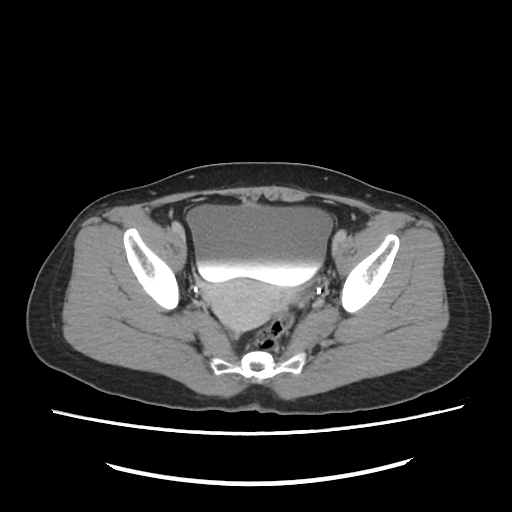
CT, abdomen/pelvis · axial view · W/L 400/40 HU · 512x512 px · 15 organs annotated in this scan (counted over the whole 3D scan, not this slice; an organ is boxed only where this slice passes through it)
Box edges are left/top/right/bottom in pixels. 2 labeled organs on this slice — bladder at left=187, top=204, right=333, bottom=285; prostate/uterus at left=198, top=279, right=295, bottom=338.